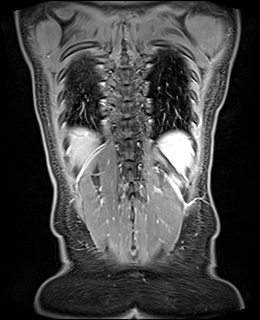 Magnetic resonance imaging, abdomen; coronal view; percentile-normalized; 260x320 px
<organs><organ name="spleen" x1="159" y1="131" x2="192" y2="172"/><organ name="liver" x1="69" y1="128" x2="98" y2="169"/></organs>